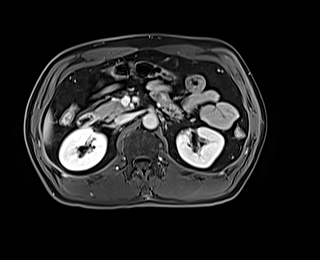

MRI, abdomen · axial plane, index 10 · 1st–99th percentile window
Coordinates as <box>x1,y1,x2,y2</box> in pixels.
Organ bounding boxes:
- right kidney: <box>59,127,106,170</box>
- left kidney: <box>176,127,224,167</box>
- liver: <box>43,111,52,142</box>
- aorta: <box>142,114,158,129</box>
- inferior vena cava: <box>114,113,135,124</box>
- pancreas: <box>94,100,128,118</box>
- duodenum: <box>77,113,97,126</box>